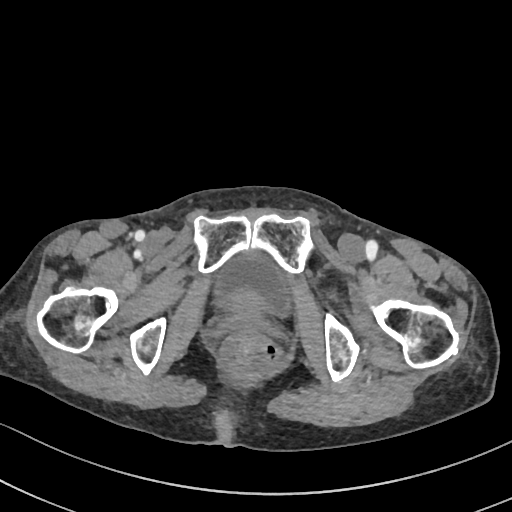

Abdominal CT; axial plane, index 44; soft-tissue window (W 400 / L 40); scan has 15 labeled organs (counted over the whole 3D scan, not this slice; an organ is boxed only where this slice passes through it)
{"organs":{"bladder":[224,257,282,306]}}